CT, abdomen/pelvis; axial plane, index 25
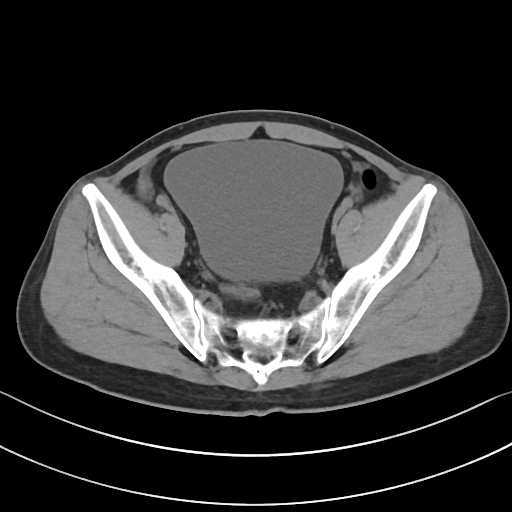 Organ boxes in pixel coordinates; each row gives the top-left (x1, y1) and bottom-right (x2, y2) corners.
| organ | x1 | y1 | x2 | y2 |
|---|---|---|---|---|
| bladder | 165 | 141 | 342 | 280 |